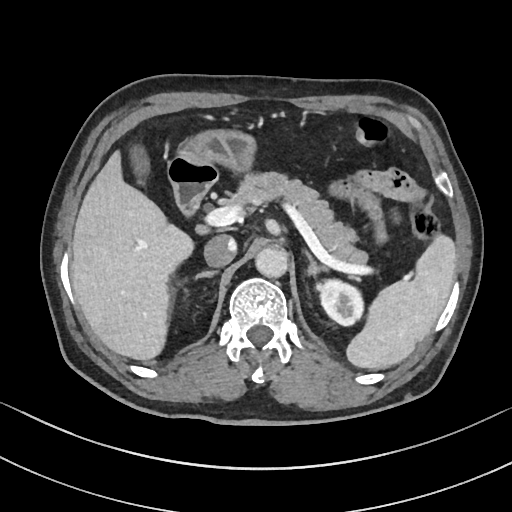
Computed tomography, abdomen. axial plane, index 173. 512x512 px
Boxes are (x1, y1, x2, y2) in pixels.
Organ bounding boxes:
- spleen: (345, 235, 456, 370)
- left kidney: (317, 279, 365, 325)
- gall bladder: (130, 145, 151, 181)
- liver: (71, 148, 193, 360)
- stomach: (166, 128, 253, 169)
- aorta: (255, 249, 288, 278)
- inferior vena cava: (204, 235, 236, 267)
- pancreas: (234, 171, 369, 263)
- right adrenal gland: (193, 270, 219, 279)
- left adrenal gland: (306, 252, 329, 277)
- duodenum: (166, 161, 217, 217)